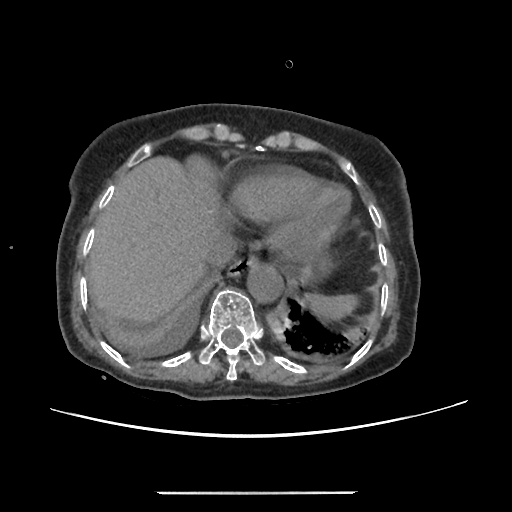
Computed tomography, abdomen; axial view; soft-tissue window; scan has 14 labeled organs (counted over the whole 3D scan, not this slice; an organ is boxed only where this slice passes through it)
Each box given as x1,y1,x2,y2. The annotated organs in this slice are: spleen at x1=307, y1=294, x2=356, y2=317, esophagus at x1=227, y1=257, x2=256, y2=277, liver at x1=89, y1=157, x2=223, y2=321, aorta at x1=247, y1=264, x2=283, y2=303, inferior vena cava at x1=205, y1=234, x2=236, y2=267.